Abdominal CT reaching into the chest; this slice is in the chest; axial view
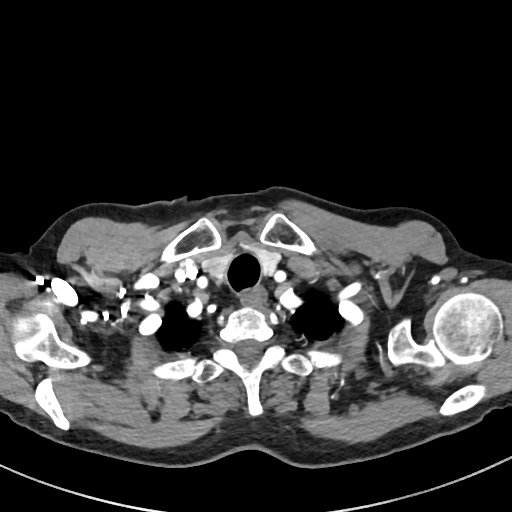 At this level of the chest no structure but the esophagus and the aorta has a label in this dataset, and those two are boxed only where they are labeled.
{"organs":{"esophagus":[241,287,265,305]}}